Abdominal CT · axial view · abdomen soft-tissue window · 512x512 px
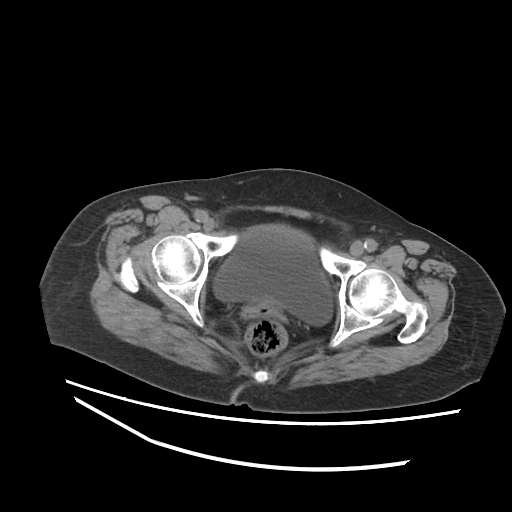

Organ boxes in pixel coordinates; each row gives the top-left (x1, y1) and bottom-right (x2, y2) corners.
| organ | x1 | y1 | x2 | y2 |
|---|---|---|---|---|
| bladder | 213 | 226 | 332 | 325 |